Chest-level slice from an abdominal CT that extends up into the chest · axial view · scan has 15 labeled organs (that count is for the whole scan; organs this slice misses have no box)
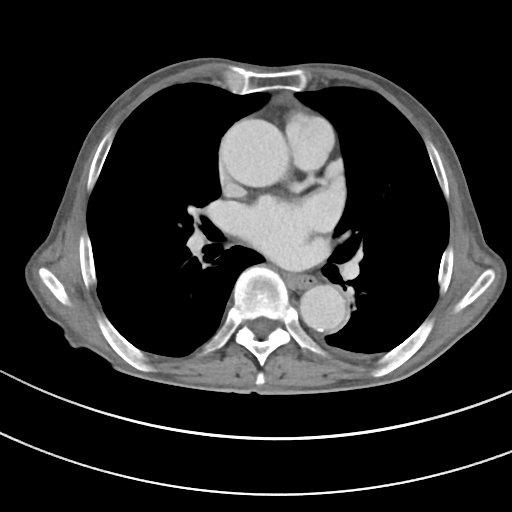

At this level of the chest no structure but the esophagus and the aorta has a label in this dataset, and those two are boxed only where they are labeled.
Bounding boxes in pixels, one row per box: x1, y1 is the top-left corner and x2, y2 the bottom-right.
| organ | x1 | y1 | x2 | y2 |
|---|---|---|---|---|
| esophagus | 287 | 275 | 315 | 288 |
| aorta | 220 | 118 | 288 | 186 |
| aorta | 299 | 285 | 346 | 331 |